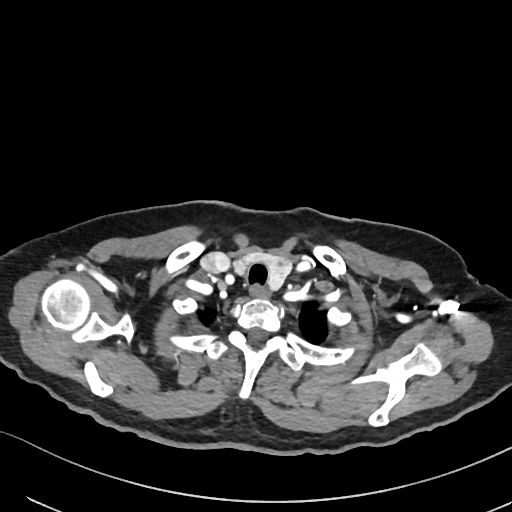
Chest-level CT slice, above the liver and spleen — axial view — 15 organs annotated in this scan (that count is for the whole scan; organs this slice misses have no box)
On a slice this high in the chest, this dataset labels only the esophagus and the aorta, and each is boxed only where it is labeled; the heart, lungs and other chest structures are not labeled.
Each box given as x1,y1,x2,y2.
esophagus: x1=250, y1=284, x2=271, y2=298